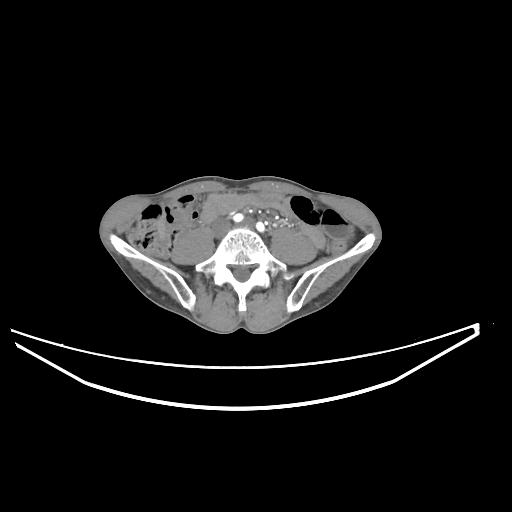

CT abdomen; axial view; abdomen soft-tissue window; scan has 15 labeled organs (counted over the whole 3D scan, not this slice; an organ is boxed only where this slice passes through it)
<organs><organ name="liver" x1="158" y1="214" x2="166" y2="239"/></organs>